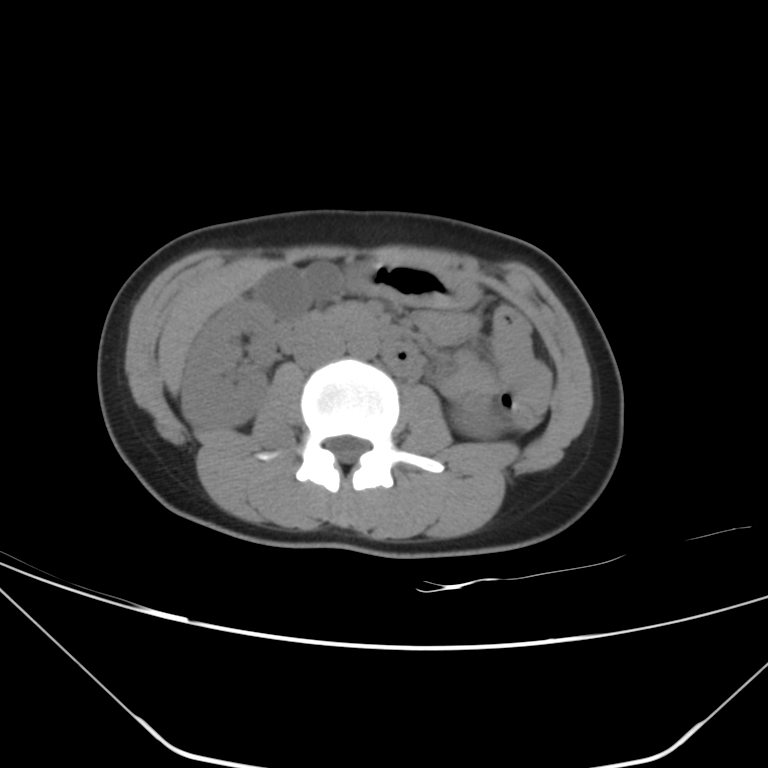

Computed tomography, abdomen · axial view · 768x768 px
Bounding boxes as [x1, y1, x2, y2] in pixel coordinates.
right kidney: [181, 299, 277, 430]
left kidney: [452, 402, 498, 437]
gall bladder: [254, 262, 338, 317]
liver: [159, 261, 279, 392]
stomach: [343, 261, 477, 308]
aorta: [347, 330, 379, 358]
inferior vena cava: [295, 333, 344, 367]
pancreas: [326, 304, 367, 317]
duodenum: [278, 311, 421, 379]